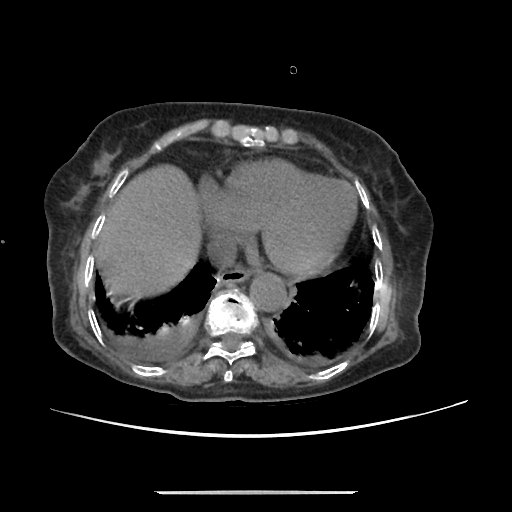
Abdominal CT; axial plane, index 317; SOMATOM Force scanner
Organ boxes in pixel coordinates; each row gives the top-left (x1, y1) and bottom-right (x2, y2) corners.
| organ | x1 | y1 | x2 | y2 |
|---|---|---|---|---|
| esophagus | 220 | 267 | 250 | 284 |
| liver | 98 | 165 | 199 | 298 |
| aorta | 249 | 273 | 286 | 312 |
| inferior vena cava | 207 | 234 | 236 | 271 |